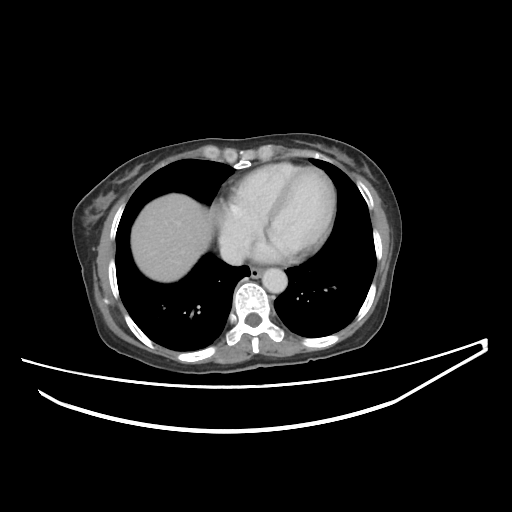

Computed tomography, abdomen; axial view; 62-year-old female patient
{"organs":{"liver":[131,193,213,282],"inferior vena cava":[220,241,246,265],"esophagus":[249,267,263,278],"aorta":[262,268,287,293]}}